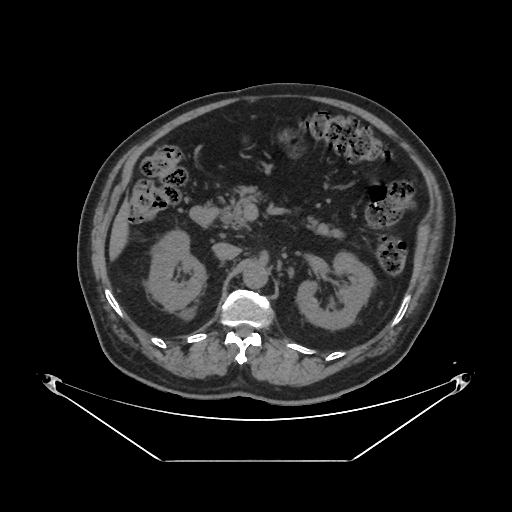
CT abdomen · axial view · abdomen soft-tissue window · acquired on SOMATOM Force
Organ boxes in pixel coordinates; each row gives the top-left (x1, y1) and bottom-right (x2, y2) corners.
| organ | x1 | y1 | x2 | y2 |
|---|---|---|---|---|
| right kidney | 148 | 231 | 205 | 317 |
| left kidney | 296 | 253 | 373 | 330 |
| liver | 109 | 199 | 130 | 262 |
| stomach | 277 | 125 | 309 | 161 |
| aorta | 243 | 262 | 268 | 289 |
| inferior vena cava | 212 | 243 | 240 | 259 |
| pancreas | 222 | 193 | 344 | 237 |
| duodenum | 189 | 203 | 219 | 227 |